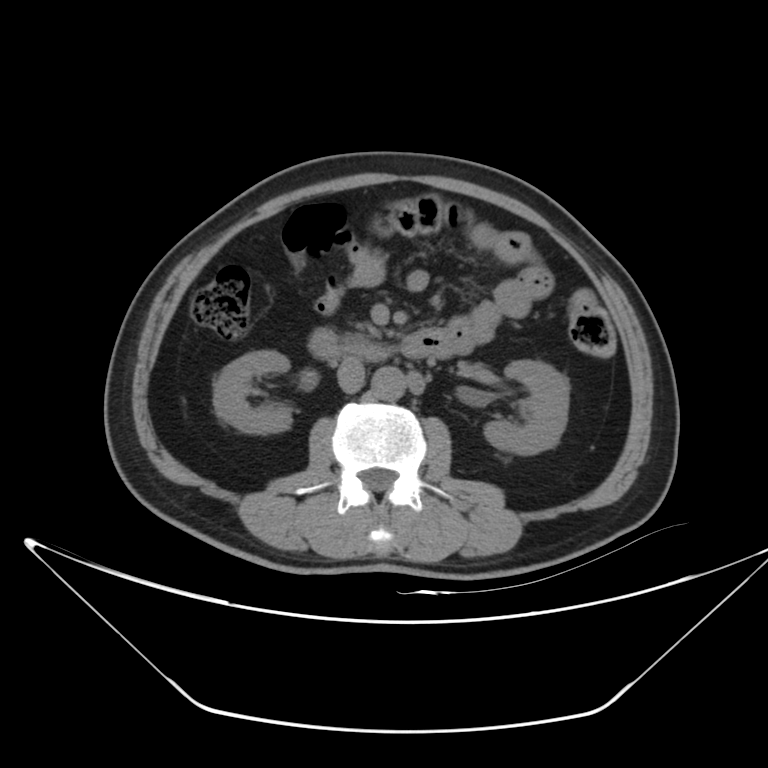 CT, abdomen/pelvis. axial view. soft-tissue window (W 400 / L 40). 768x768 px. acquired on Brilliance16
<organs><organ name="inferior vena cava" x1="337" y1="357" x2="363" y2="392"/><organ name="right kidney" x1="213" y1="350" x2="291" y2="434"/><organ name="aorta" x1="371" y1="367" x2="406" y2="400"/><organ name="duodenum" x1="307" y1="329" x2="454" y2="362"/><organ name="pancreas" x1="344" y1="324" x2="376" y2="338"/><organ name="left kidney" x1="483" y1="360" x2="569" y2="454"/></organs>